CT, abdomen/pelvis. axial view. soft-tissue window. 768x768 px. Brilliance16 scanner
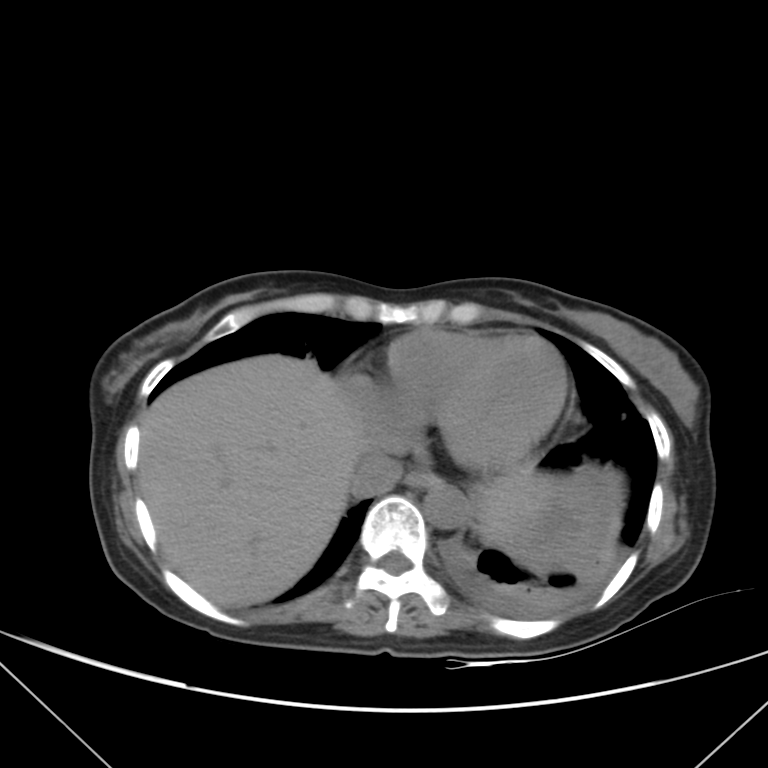

<organs><organ name="esophagus" x1="404" y1="470" x2="435" y2="488"/><organ name="liver" x1="139" y1="355" x2="555" y2="605"/><organ name="aorta" x1="423" y1="482" x2="466" y2="528"/><organ name="inferior vena cava" x1="352" y1="452" x2="402" y2="496"/></organs>